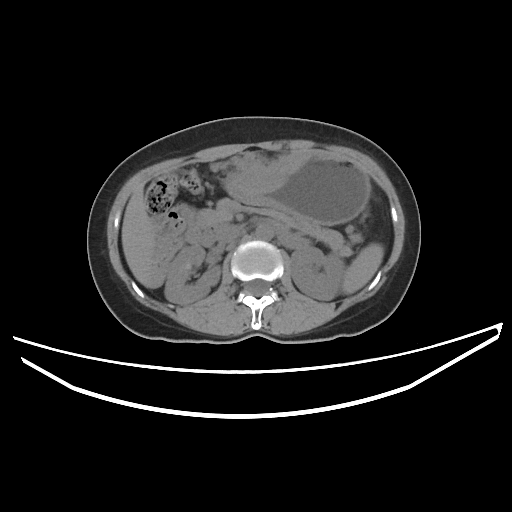 Computed tomography, abdomen. Axial slice 59/81
Box edges are left/top/right/bottom in pixels.
liver: left=121, top=183, right=154, bottom=287
duodenum: left=185, top=217, right=287, bottom=246
pancreas: left=198, top=198, right=360, bottom=255
spleen: left=341, top=243, right=383, bottom=294
aorta: left=255, top=223, right=273, bottom=240
left kidney: left=290, top=246, right=345, bottom=300
stomach: left=224, top=152, right=370, bottom=225
right kidney: left=164, top=245, right=221, bottom=304
inferior vena cava: left=219, top=226, right=245, bottom=242